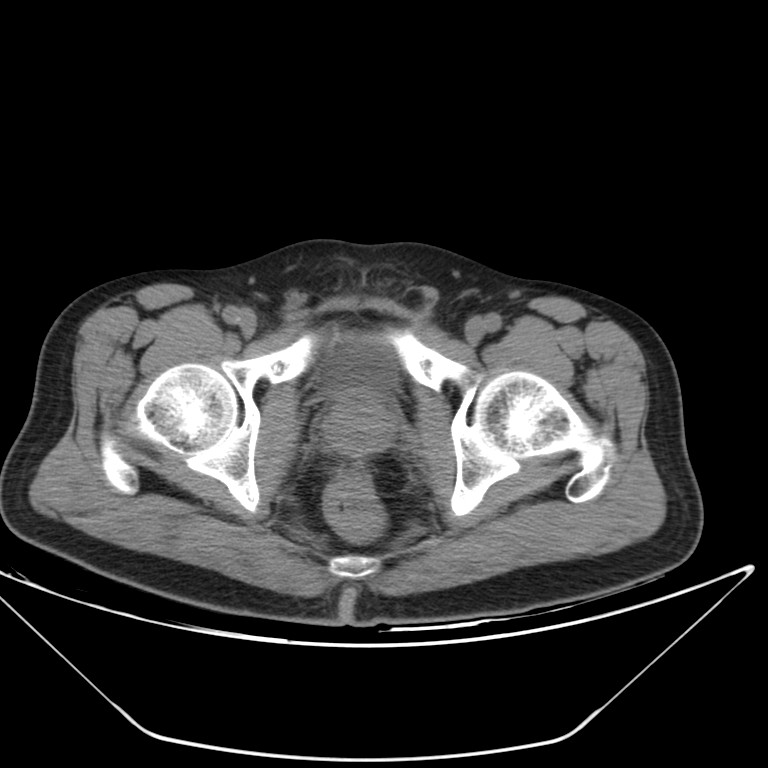
Computed tomography, abdomen. Axial slice 15/99. 768x768 px
Bounding boxes in pixels, one row per box: x1, y1 is the top-left corner and x2, y2 the bottom-right.
| organ | x1 | y1 | x2 | y2 |
|---|---|---|---|---|
| bladder | 326 | 339 | 395 | 393 |
| prostate/uterus | 322 | 393 | 397 | 456 |